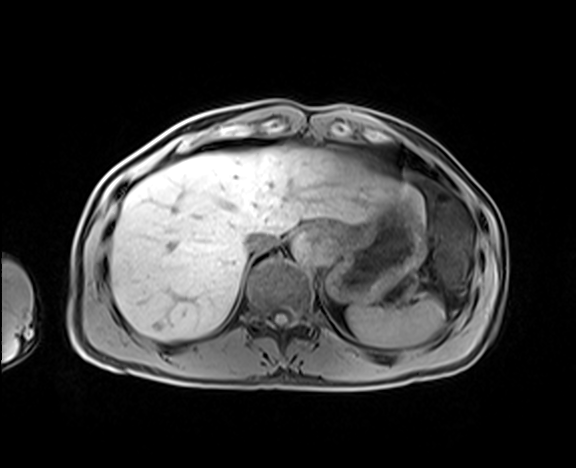
Abdominal MRI — axial view — percentile-normalized
Bounding boxes in pixels, one row per box: x1, y1 is the top-left corner and x2, y2 the bottom-right.
| organ | x1 | y1 | x2 | y2 |
|---|---|---|---|---|
| stomach | 325 | 195 | 425 | 304 |
| inferior vena cava | 245 | 231 | 274 | 252 |
| spleen | 347 | 298 | 444 | 347 |
| aorta | 291 | 233 | 330 | 264 |
| liver | 110 | 146 | 423 | 340 |
| esophagus | 310 | 225 | 329 | 235 |